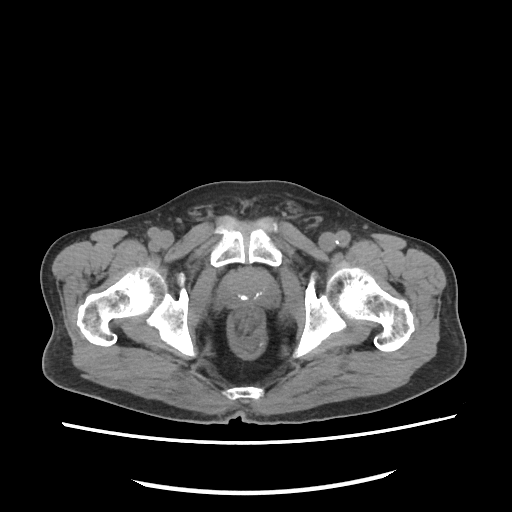
Computed tomography, abdomen. axial view. soft-tissue window (W 400 / L 40). acquired on Aquilion ONE
{"organs":{"prostate/uterus":[221,269,276,308]}}